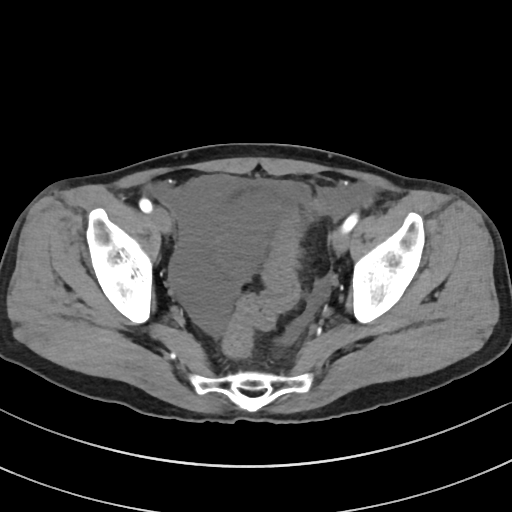
CT, abdomen/pelvis · axial plane, index 20 · 512x512 px
Coordinates as <box>x1,y1,x2,y2</box> in pixels. The annotated organs in this slice are: bladder at <box>213,191,283,279</box>.